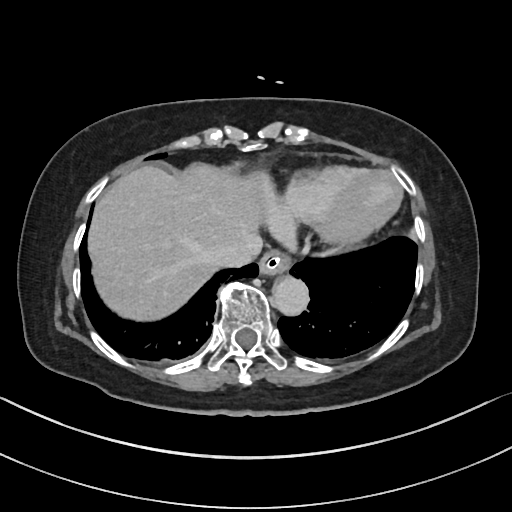
CT abdomen · Axial slice 191/212
Coordinates as <box>x1,y1,x2,y2</box> in pixels. The annotated organs in this slice are: esophagus at <box>259,250,291,275</box>, liver at <box>88,163,259,320</box>, aorta at <box>272,276,309,315</box>, inferior vena cava at <box>213,235,262,266</box>.